CT, abdomen/pelvis. axial view. abdomen soft-tissue window
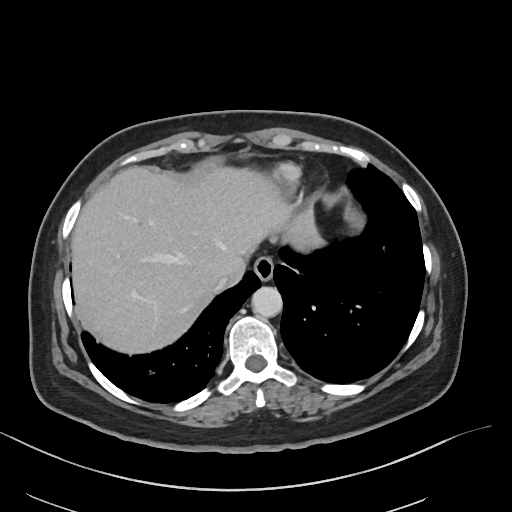

One row per box, in pixels: columns x1 and y1 give the top-left corner, x2 and y2 the bottom-right.
| organ | x1 | y1 | x2 | y2 |
|---|---|---|---|---|
| esophagus | 253 | 256 | 274 | 281 |
| liver | 71 | 166 | 322 | 354 |
| aorta | 251 | 286 | 282 | 317 |
| inferior vena cava | 214 | 273 | 228 | 291 |